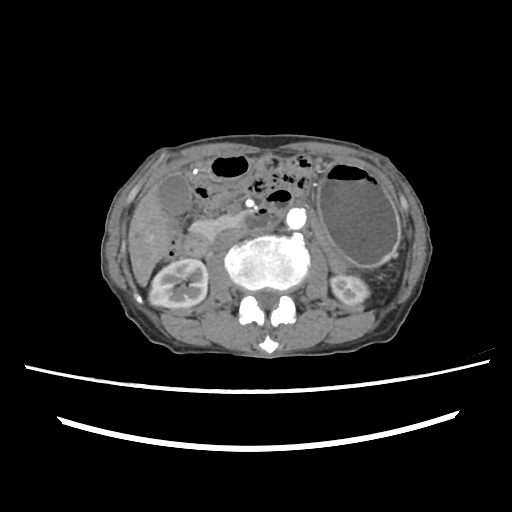 CT abdomen; Axial slice 53/120; 81-year-old male patient
Bounding boxes in pixels, one row per box: x1, y1 is the top-left corner and x2, y2 the bottom-right.
| organ | x1 | y1 | x2 | y2 |
|---|---|---|---|---|
| right kidney | 149 | 258 | 208 | 308 |
| left kidney | 331 | 275 | 369 | 305 |
| gall bladder | 158 | 170 | 191 | 215 |
| liver | 128 | 184 | 171 | 285 |
| stomach | 318 | 162 | 399 | 266 |
| aorta | 283 | 204 | 307 | 231 |
| inferior vena cava | 215 | 226 | 247 | 250 |
| pancreas | 191 | 211 | 245 | 239 |
| duodenum | 182 | 156 | 279 | 256 |